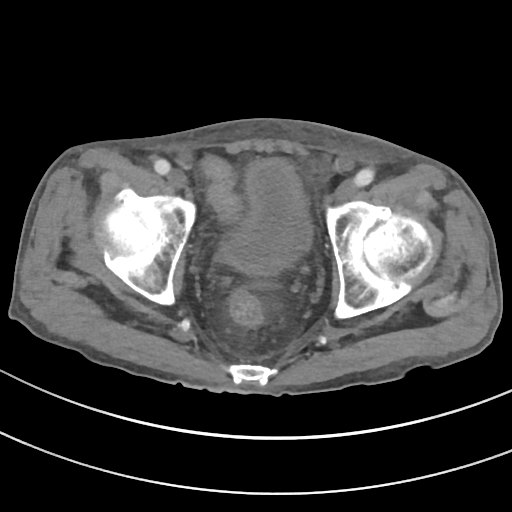
Computed tomography, abdomen · Axial slice 15/122
Coordinates as <box>x1,y1,x2,y2</box> in pixels.
bladder: <box>215,159,311,276</box>